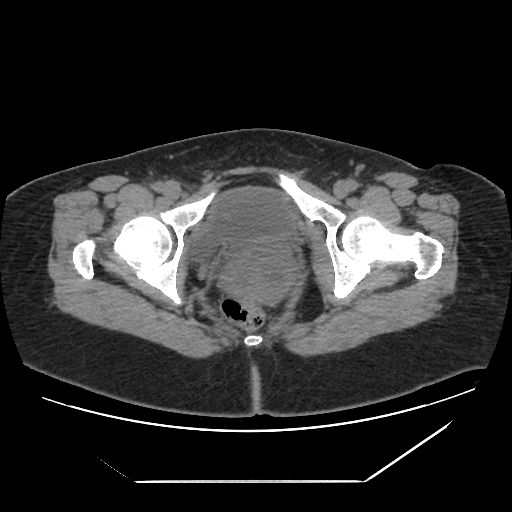

Computed tomography, abdomen. axial view. abdomen soft-tissue window. 512x512 px. acquired on SOMATOM Force
{"organs":{"prostate/uterus":[243,257,290,296],"bladder":[192,188,292,259]}}